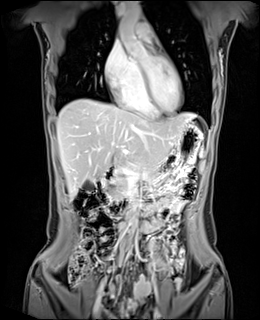
Abdominal MR — coronal acquisition — percentile-normalized — 260x320 px — Prisma scanner — 13 organs annotated in this scan (a whole-scan count: organs this slice does not pass through have no box)
Boxes: x1 y1 x2 y2 (pixel coords, space-separated). The annotated organs in this slice are: stomach at 144 121 203 189, gall bladder at 83 180 95 191, pancreas at 104 159 159 200, liver at 56 99 196 196, aorta at 119 3 141 37, aorta at 132 219 137 229, duodenum at 95 167 144 213, spleen at 200 148 203 169.